CT abdomen; axial view; W/L 400/40 HU; scan has 15 labeled organs (counted over the whole 3D scan, not this slice; an organ is boxed only where this slice passes through it)
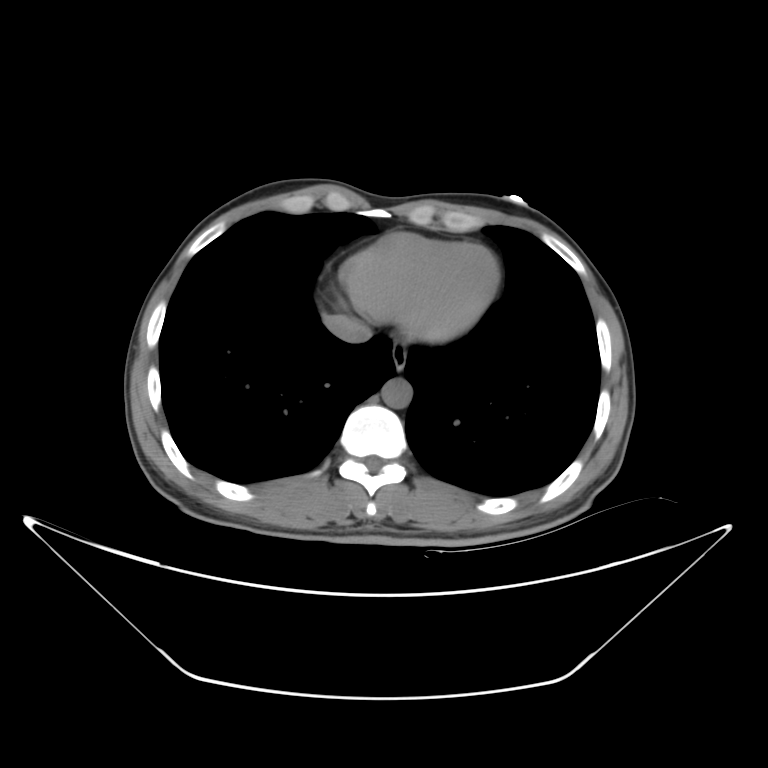

Organ boxes in pixel coordinates; each row gives the top-left (x1, y1) and bottom-right (x2, y2) corners.
| organ | x1 | y1 | x2 | y2 |
|---|---|---|---|---|
| inferior vena cava | 323 | 313 | 370 | 342 |
| aorta | 382 | 376 | 411 | 408 |
| liver | 323 | 313 | 324 | 317 |
| esophagus | 392 | 346 | 406 | 368 |